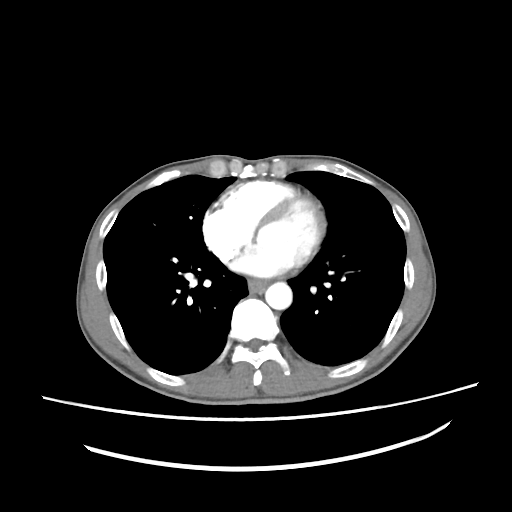

Abdominal CT; this slice is in the lower chest, just above the liver. axial plane, index 94. 14 organs annotated in this scan (counted over the whole 3D scan, not this slice; an organ is boxed only where this slice passes through it)
The heart and lungs are never labeled in this dataset, so they have no box on this slice.
{"organs":{"esophagus":[248,279,267,292],"aorta":[265,282,292,309]}}